CT, abdomen/pelvis; axial plane, index 149; 15 organs annotated in this scan (that count is for the whole scan; organs this slice misses have no box)
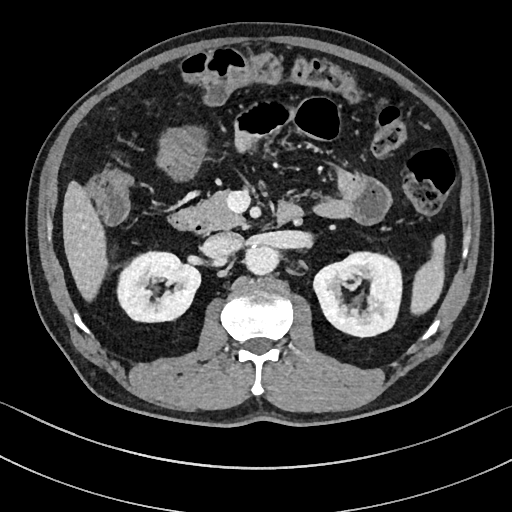 Each box given as x1,y1,x2,y2. Labeled organs on this slice: spleen at x1=411, y1=235, x2=444, y2=314, right kidney at x1=117, y1=251, x2=200, y2=322, left kidney at x1=313, y1=250, x2=402, y2=335, liver at x1=63, y1=182, x2=105, y2=300, aorta at x1=245, y1=246, x2=280, y2=275, inferior vena cava at x1=206, y1=233, x2=243, y2=258, pancreas at x1=181, y1=192, x2=246, y2=230, duodenum at x1=169, y1=205, x2=302, y2=234.